CT abdomen · axial plane, index 36 · 512x512 px
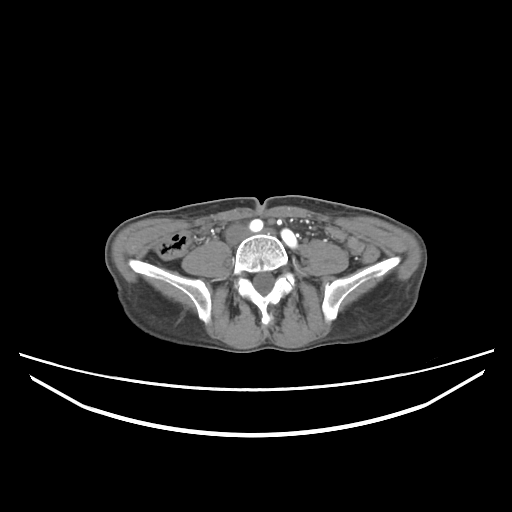
{"organs":{"inferior vena cava":[226,225,248,242]}}